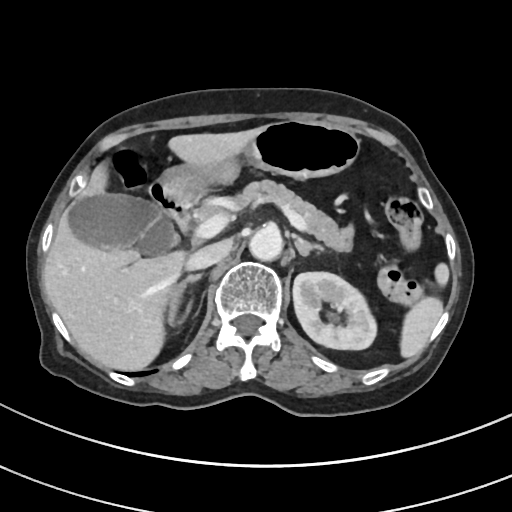
Abdominal CT. axial view. 512x512 px. scan has 15 labeled organs (a whole-scan count: organs this slice does not pass through have no box)
{"organs":{"spleen":[400,263,448,357],"left kidney":[292,272,376,349],"gall bladder":[70,194,178,254],"liver":[43,127,260,370],"stomach":[158,120,359,194],"aorta":[249,227,282,260],"inferior vena cava":[186,242,229,269],"pancreas":[197,180,354,252],"right adrenal gland":[169,273,203,324],"left adrenal gland":[295,236,323,256],"duodenum":[149,182,199,231]}}